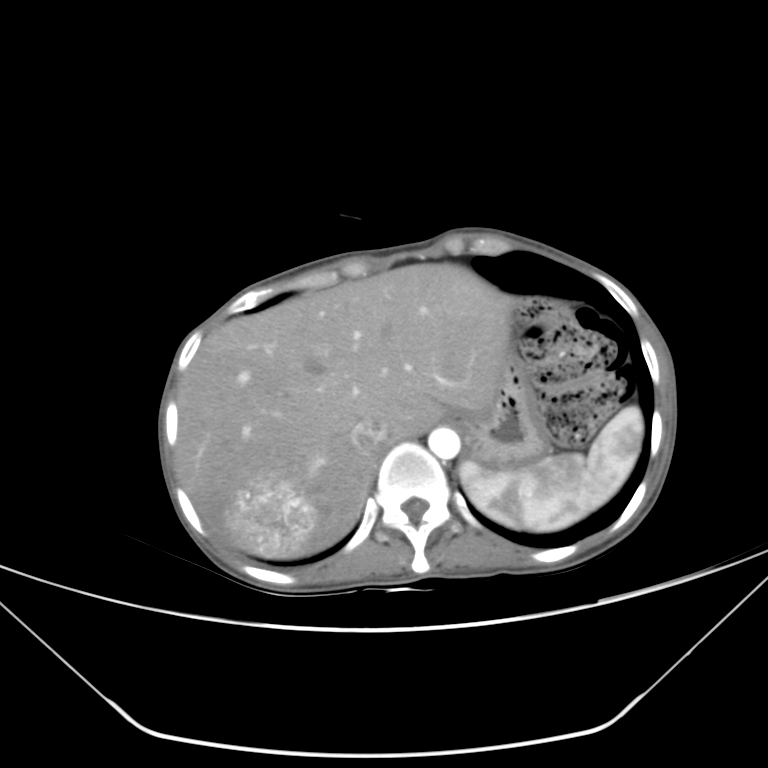
CT, abdomen/pelvis. axial view. abdomen soft-tissue window. 768x768 px
{"organs":{"spleen":[459,406,644,531],"liver":[176,263,512,558],"stomach":[448,350,548,472],"aorta":[428,427,460,459],"inferior vena cava":[353,418,389,453]}}